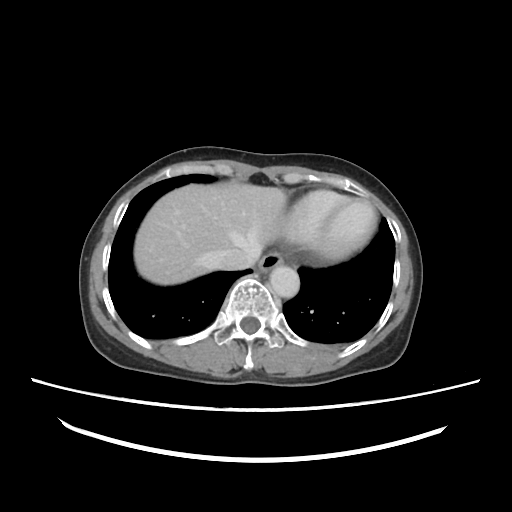

CT, abdomen/pelvis — axial view — 54-year-old female patient — scan has 15 labeled organs (counted over the whole 3D scan, not this slice; an organ is boxed only where this slice passes through it)
Bounding boxes as [x1, y1, x2, y2] in pixel coordinates.
Organ bounding boxes:
- inferior vena cava: [214, 248, 259, 270]
- aorta: [270, 265, 300, 299]
- liver: [136, 184, 285, 285]
- esophagus: [258, 254, 284, 274]